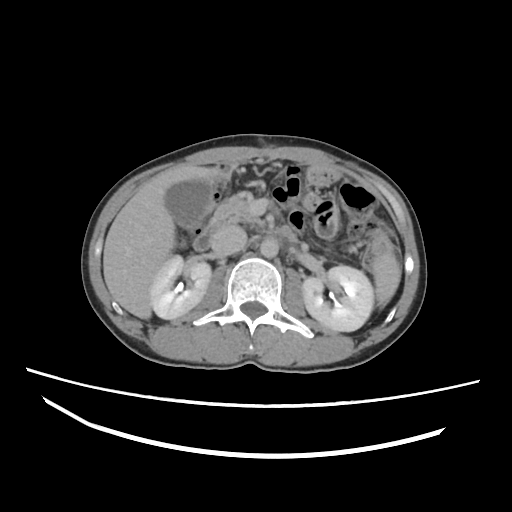 CT abdomen · axial view · abdomen soft-tissue window · 40-year-old male patient · acquired on Aquilion ONE · 15 organs annotated in this scan (that count is for the whole scan; organs this slice misses have no box)
Boxes are (x1, y1, x2, y2) in pixels.
Organ bounding boxes:
- spleen: (371, 253, 401, 308)
- right kidney: (151, 255, 211, 320)
- left kidney: (303, 265, 374, 332)
- gall bladder: (165, 181, 213, 227)
- liver: (103, 163, 219, 318)
- stomach: (289, 177, 296, 182)
- aorta: (260, 236, 279, 256)
- inferior vena cava: (211, 225, 246, 254)
- pancreas: (211, 192, 261, 226)
- duodenum: (193, 225, 300, 252)